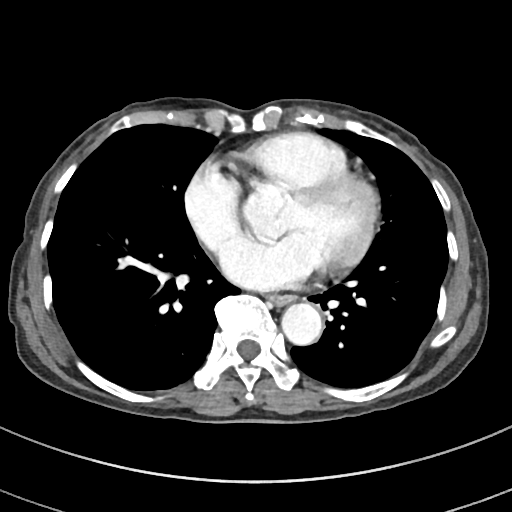

CT of the abdomen reaching into the lower chest, slice just above the liver and spleen; axial view; W/L 400/40 HU; 512x512 px
The heart and lungs are never labeled in this dataset, so they have no box on this slice.
Bounding boxes in pixels, one row per box: x1, y1 is the top-left corner and x2, y2 the bottom-right.
| organ | x1 | y1 | x2 | y2 |
|---|---|---|---|---|
| esophagus | 269 | 294 | 293 | 305 |
| aorta | 281 | 303 | 322 | 345 |